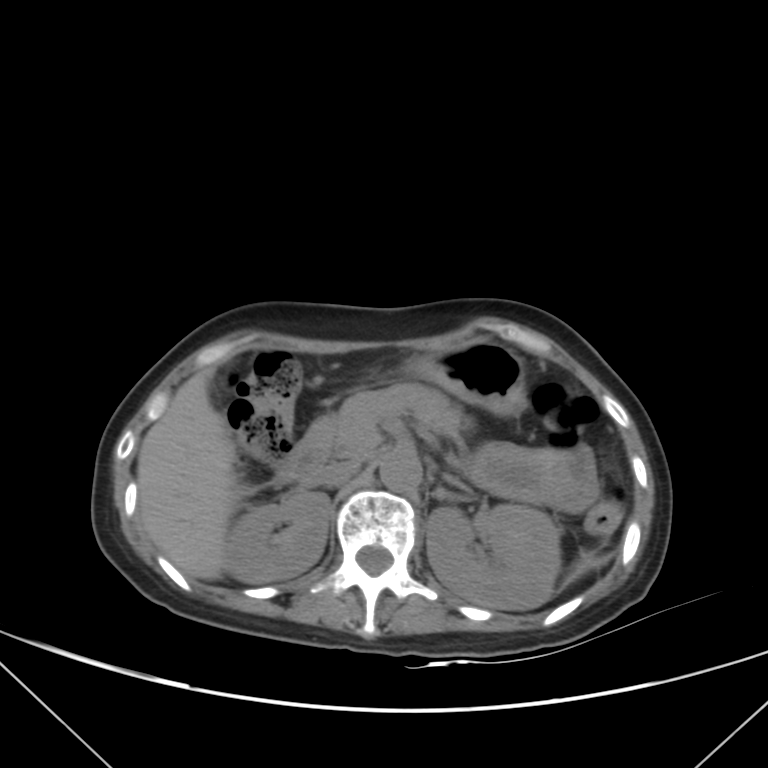 Abdominal CT · axial view · 39-year-old female patient
Bounding boxes as [x1, y1, x2, y2] in pixel coordinates.
spleen: [576, 551, 596, 568]
right kidney: [223, 491, 329, 583]
left kidney: [426, 504, 561, 610]
liver: [137, 370, 244, 579]
stomach: [404, 340, 527, 415]
aorta: [379, 453, 420, 491]
inferior vena cava: [310, 460, 361, 484]
pancreas: [308, 384, 463, 457]
left adrenal gland: [443, 474, 472, 494]
duodenum: [272, 436, 325, 484]